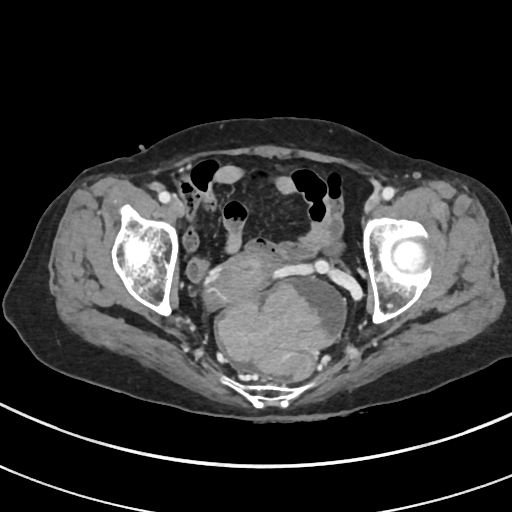 CT, abdomen/pelvis. axial view. 512x512 px
{"organs":{"prostate/uterus":[205,253,272,305]}}